Abdominal MR. axial plane, index 15. 576x468 px. acquired on Prisma. scan has 13 labeled organs (counted over the whole 3D scan, not this slice; an organ is boxed only where this slice passes through it)
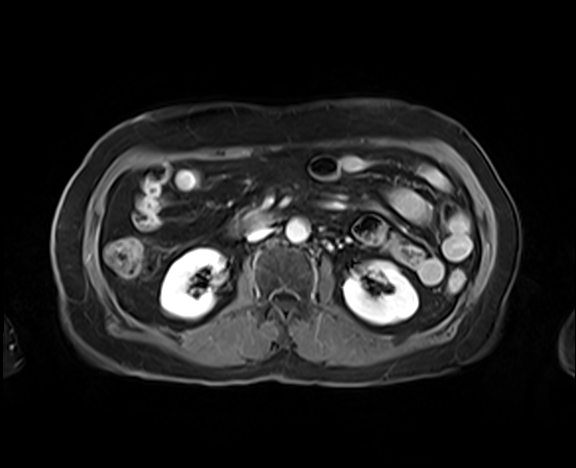

Organ boxes in pixel coordinates; each row gives the top-left (x1, y1) and bottom-right (x2, y2) corners.
| organ | x1 | y1 | x2 | y2 |
|---|---|---|---|---|
| inferior vena cava | 247 | 227 | 271 | 242 |
| duodenum | 237 | 211 | 271 | 228 |
| right kidney | 160 | 248 | 224 | 319 |
| aorta | 286 | 219 | 308 | 242 |
| left kidney | 343 | 261 | 418 | 324 |